CT, abdomen/pelvis; axial view; soft-tissue window; 512x512 px; acquired on SOMATOM Force
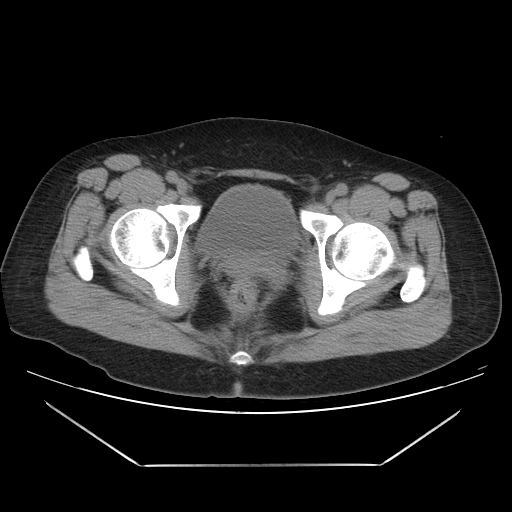
Organ boxes in pixel coordinates; each row gives the top-left (x1, y1) and bottom-right (x2, y2) corners.
| organ | x1 | y1 | x2 | y2 |
|---|---|---|---|---|
| bladder | 197 | 185 | 298 | 257 |